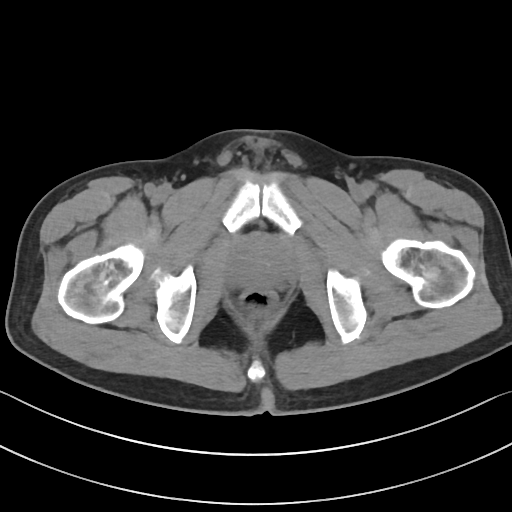

Computed tomography, abdomen — axial plane, index 7 — soft-tissue window — acquired on SOMATOM Force — 15 organs annotated in this scan (a whole-scan count: organs this slice does not pass through have no box)
Boxes: x1:y1:x2:y2 in pixels. 1 labeled organ on this slice — prostate/uterus at 231:237:287:286.